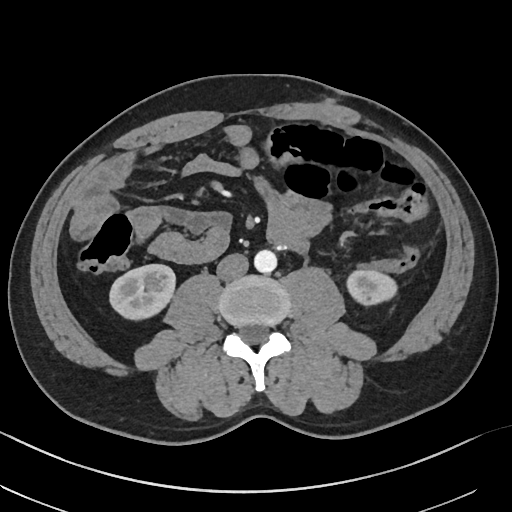
CT abdomen; axial view; scan has 15 labeled organs (a whole-scan count: organs this slice does not pass through have no box)
{"organs":{"aorta":[254,249,277,273],"inferior vena cava":[216,253,248,280],"right kidney":[109,264,175,319],"left kidney":[347,270,397,305]}}